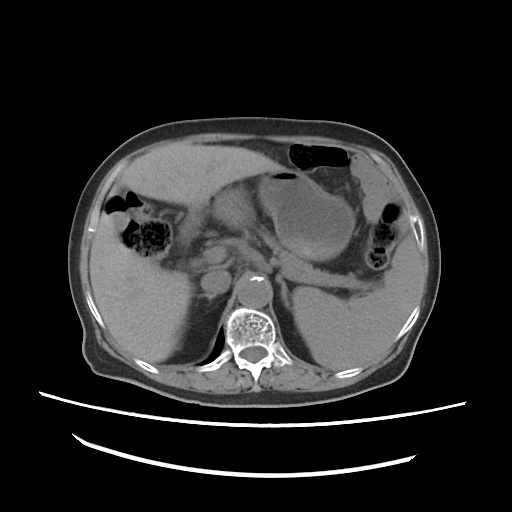 Computed tomography, abdomen; axial plane, index 70; 15 organs annotated in this scan (a whole-scan count: organs this slice does not pass through have no box)
Bounding boxes as [x1, y1, x2, y2] in pixel coordinates. 8 labeled organs on this slice — spleen at [293, 236, 422, 370]; liver at [90, 142, 286, 362]; stomach at [179, 169, 355, 271]; aorta at [236, 274, 270, 308]; inferior vena cava at [201, 267, 231, 293]; pancreas at [260, 230, 333, 275]; right adrenal gland at [199, 294, 215, 300]; left adrenal gland at [276, 275, 288, 304].